CT abdomen — axial plane, index 131
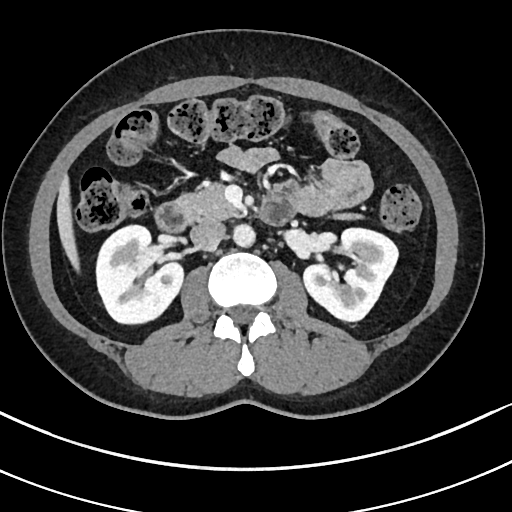 {"organs":{"pancreas":[175,184,358,220],"left kidney":[303,228,398,321],"inferior vena cava":[190,220,225,250],"duodenum":[155,192,294,232],"right kidney":[96,225,183,323],"aorta":[233,224,255,247],"liver":[57,177,78,268]}}